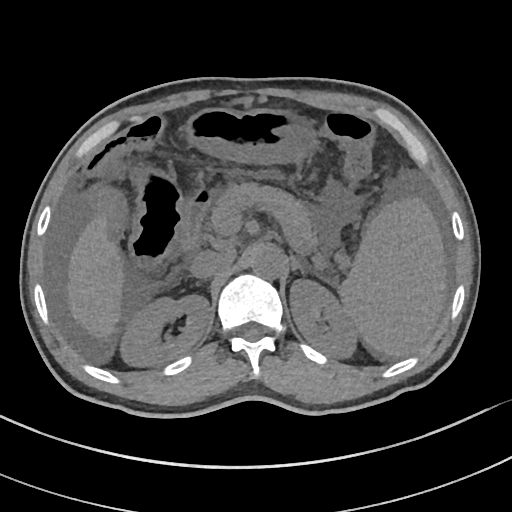
Abdominal CT; Axial slice 150/206; W/L 400/40 HU; 512x512 px
One row per box, in pixels: columns x1 and y1 give the top-left corner, x2 and y2 the bottom-right.
| organ | x1 | y1 | x2 | y2 |
|---|---|---|---|---|
| spleen | 339 | 198 | 446 | 357 |
| right kidney | 120 | 295 | 209 | 366 |
| left kidney | 290 | 280 | 359 | 358 |
| liver | 67 | 217 | 124 | 338 |
| stomach | 184 | 108 | 316 | 164 |
| aorta | 251 | 246 | 284 | 279 |
| inferior vena cava | 191 | 250 | 235 | 278 |
| pancreas | 210 | 183 | 318 | 250 |
| left adrenal gland | 291 | 256 | 318 | 276 |
| duodenum | 176 | 189 | 213 | 250 |